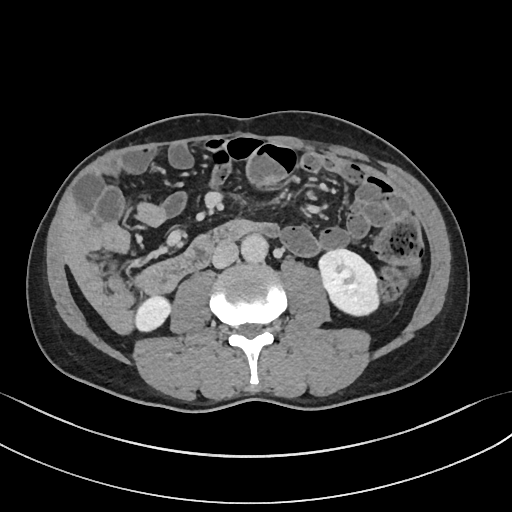
CT, abdomen/pelvis · axial view · 512x512 px
Each box given as x1,y1,x2,y2. 4 labeled organs on this slice — right kidney at x1=134, y1=295, x2=172, y2=332; left kidney at x1=317, y1=248, x2=380, y2=316; aorta at x1=241, y1=235, x2=268, y2=263; inferior vena cava at x1=212, y1=242, x2=238, y2=268.